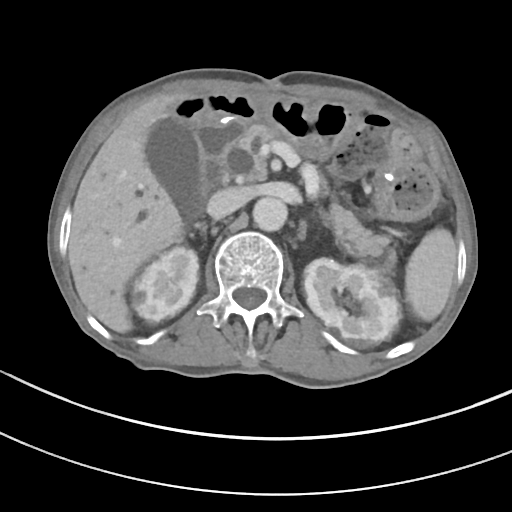

Abdominal CT · axial view · abdomen soft-tissue window · 512x512 px · 15 organs annotated in this scan (that count is for the whole scan; organs this slice misses have no box)
Each box given as x1,y1,x2,y2. Labeled organs on this slice: liver at x1=69, y1=95, x2=186, y2=332, gall bladder at x1=145, y1=115, x2=205, y2=216, inferior vena cava at x1=206, y1=189, x2=243, y2=219, stomach at x1=377, y1=163, x2=439, y2=220, spleen at x1=405, y1=228, x2=455, y2=321, left kidney at x1=304, y1=258, x2=400, y2=345, right kidney at x1=133, y1=246, x2=198, y2=321, aorta at x1=252, y1=197, x2=287, y2=231, pancreas at x1=240, y1=124, x2=396, y2=268, duodenum at x1=199, y1=116, x2=242, y2=188, left adrenal gland at x1=317, y1=209, x2=330, y2=228.